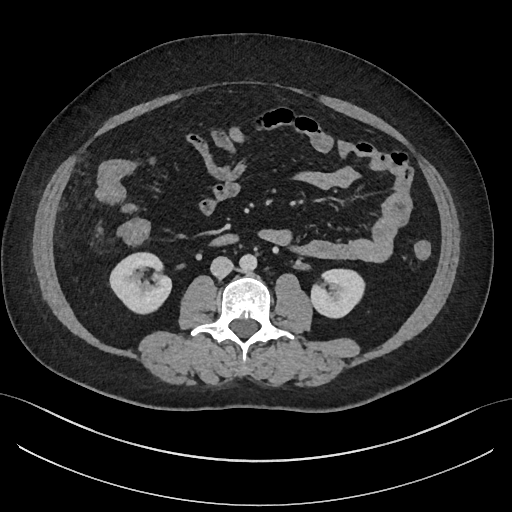
Computed tomography, abdomen; axial view; soft-tissue window (W 400 / L 40); scan has 15 labeled organs (that count is for the whole scan; organs this slice misses have no box)
Bounding boxes as [x1, y1, x2, y2] in pixel coordinates. The annotated organs in this slice are: right kidney at [110, 253, 171, 313], left kidney at [310, 268, 366, 318], aorta at [239, 254, 256, 272], inferior vena cava at [210, 256, 233, 277], duodenum at [208, 233, 240, 246].